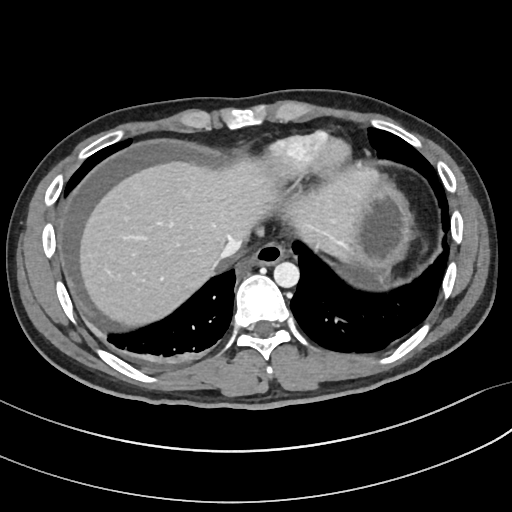 Computed tomography, abdomen — Axial slice 222/251 — 15 organs annotated in this scan (that count is for the whole scan; organs this slice misses have no box)
<organs><organ name="stomach" x1="351" y1="180" x2="409" y2="271"/><organ name="esophagus" x1="237" y1="242" x2="286" y2="272"/><organ name="inferior vena cava" x1="221" y1="236" x2="243" y2="257"/><organ name="aorta" x1="273" y1="261" x2="299" y2="288"/><organ name="liver" x1="81" y1="158" x2="382" y2="323"/></organs>